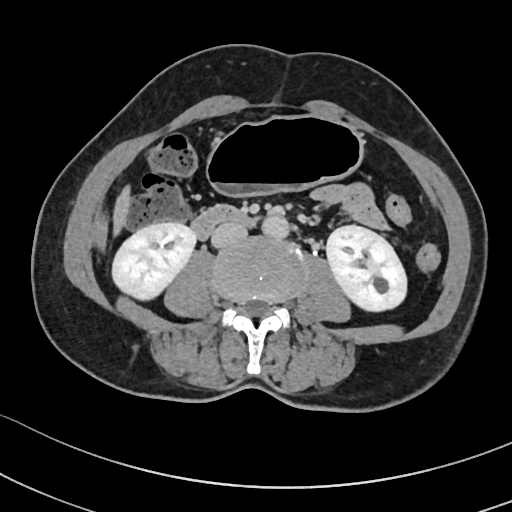

Abdominal CT. axial view
Coordinates as <box>x1,y1,x2,y2</box> in pixels.
inferior vena cava: <box>211,223,247,248</box>
left kidney: <box>326,226,407,313</box>
stomach: <box>206,116,361,194</box>
liver: <box>115,186,130,238</box>
aorta: <box>263,216,290,239</box>
duodenum: <box>190,205,254,239</box>
right kidney: <box>111,223,196,300</box>